Computed tomography, abdomen. axial plane, index 41. W/L 400/40 HU. 512x512 px
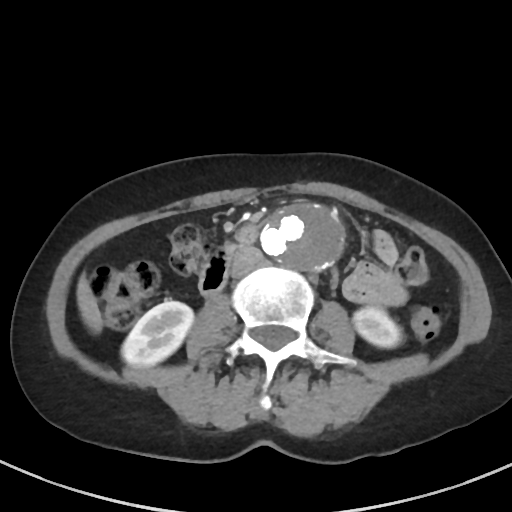 One row per box, in pixels: columns x1 and y1 give the top-left corner, x2 and y2 the bottom-right.
| organ | x1 | y1 | x2 | y2 |
|---|---|---|---|---|
| inferior vena cava | 230 | 245 | 261 | 277 |
| left kidney | 353 | 307 | 402 | 347 |
| right kidney | 121 | 300 | 193 | 366 |
| liver | 76 | 274 | 102 | 333 |
| duodenum | 199 | 226 | 256 | 296 |
| aorta | 261 | 207 | 343 | 268 |